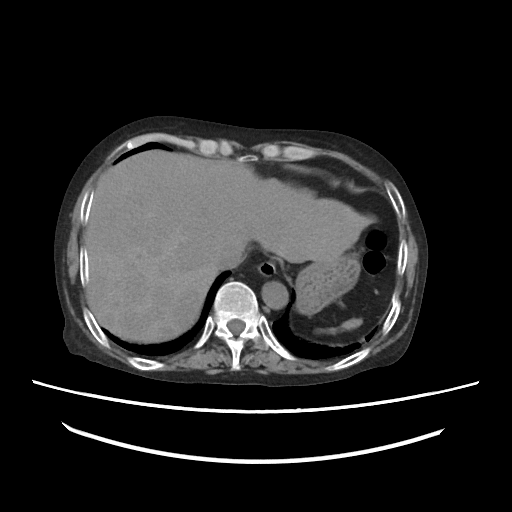

Abdominal CT · axial view · W/L 400/40 HU · 61-year-old female patient · 15 organs annotated in this scan (counted over the whole 3D scan, not this slice; an organ is boxed only where this slice passes through it)
Box edges are left/top/right/bottom in pixels.
Organ bounding boxes:
- stomach: left=295, top=253, right=360, bottom=315
- aorta: left=261, top=281, right=287, bottom=308
- liver: left=86, top=150, right=374, bottom=342
- esophagus: left=256, top=260, right=276, bottom=277
- inferior vena cava: left=214, top=243, right=244, bottom=269
- spleen: left=318, top=318, right=361, bottom=333